Computed tomography, abdomen — axial view — 15 organs annotated in this scan (a whole-scan count: organs this slice does not pass through have no box)
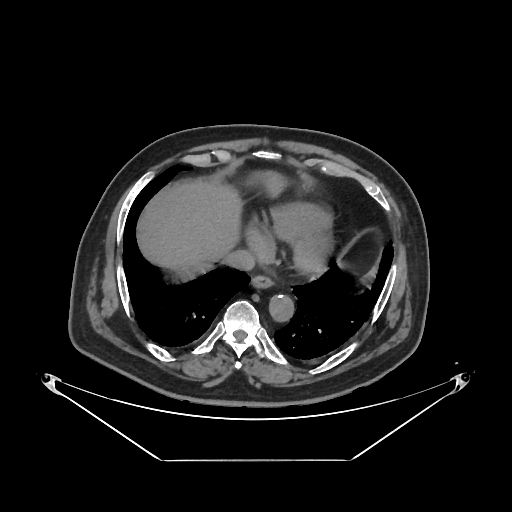

Bounding boxes as [x1, y1, x2, y2] in pixel coordinates.
esophagus: [251, 276, 272, 289]
liver: [138, 173, 281, 266]
aorta: [269, 295, 294, 322]
inferior vena cava: [224, 249, 256, 270]